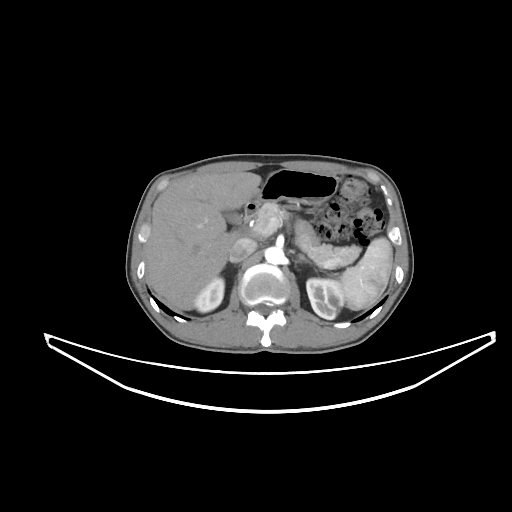 CT, abdomen/pelvis — axial view — 52-year-old male patient
Boxes: x1 y1 x2 y2 (pixel coords, space-separated).
Organ bounding boxes:
- spleen: 340 238 392 310
- right kidney: 194 277 224 312
- left kidney: 306 278 344 319
- gall bladder: 222 210 241 224
- liver: 144 171 261 309
- stomach: 250 169 338 207
- aorta: 265 246 284 264
- inferior vena cava: 229 238 256 262
- pancreas: 256 202 360 268
- left adrenal gland: 297 253 311 264
- duodenum: 244 202 257 221